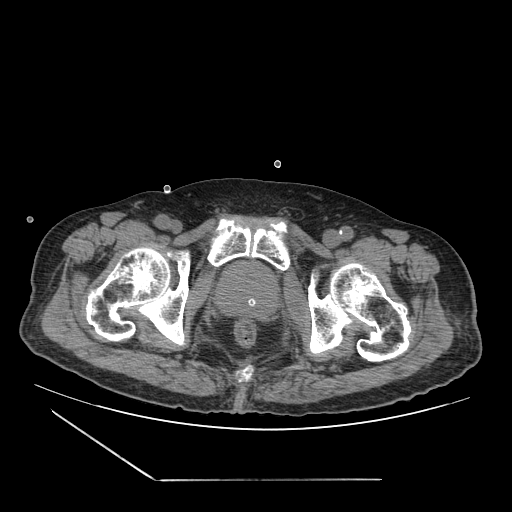
CT, abdomen/pelvis — axial view — soft-tissue window (W 400 / L 40)
Bounding boxes as [x1, y1, x2, y2] in pixel coordinates.
prostate/uterus: [215, 261, 278, 318]